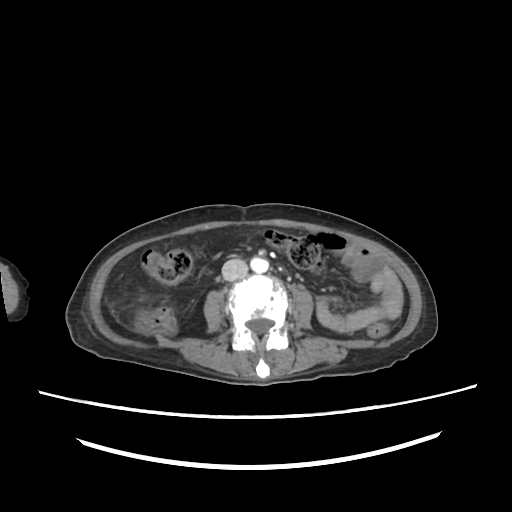

CT abdomen; axial view; 512x512 px
<organs><organ name="aorta" x1="251" y1="258" x2="268" y2="272"/><organ name="inferior vena cava" x1="222" y1="259" x2="248" y2="281"/></organs>